CT, abdomen/pelvis · axial view · scan has 15 labeled organs (that count is for the whole scan; organs this slice misses have no box)
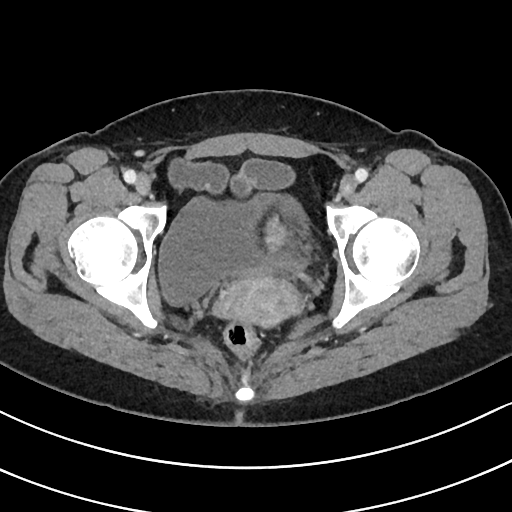

{"organs":{"bladder":[160,193,310,305],"prostate/uterus":[217,217,301,323]}}